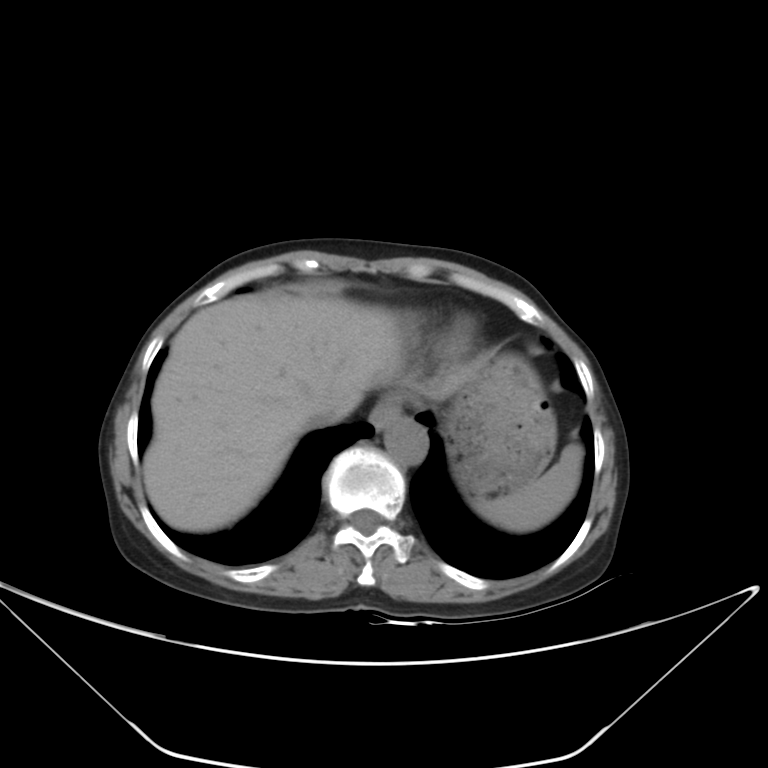

CT abdomen — Axial slice 74/85 — soft-tissue window (W 400 / L 40)
Boxes: x1:y1:x2:y2 in pixels. 6 labeled organs on this slice — spleen at 474:443:583:531; esophagus at 369:398:401:430; liver at 143:294:403:531; stomach at 444:354:556:496; aorta at 383:415:427:465; inferior vena cava at 307:412:347:427.